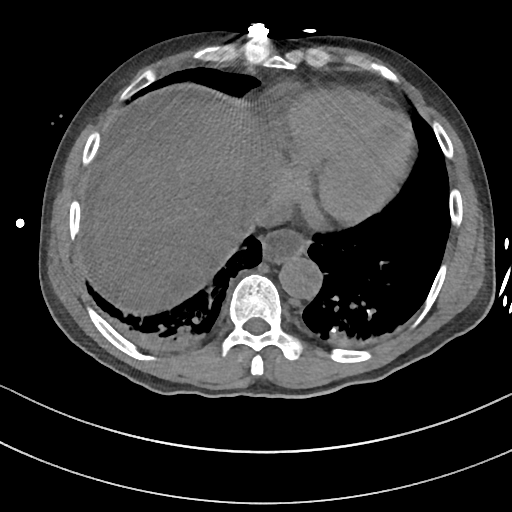 Computed tomography, abdomen. axial view. 512x512 px
<organs><organ name="esophagus" x1="261" y1="231" x2="307" y2="264"/><organ name="liver" x1="92" y1="99" x2="276" y2="313"/><organ name="aorta" x1="279" y1="255" x2="322" y2="300"/><organ name="inferior vena cava" x1="240" y1="195" x2="290" y2="236"/></organs>